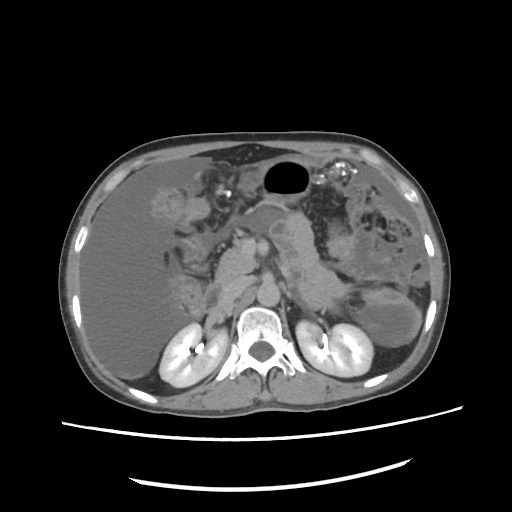 Computed tomography, abdomen. axial view. 39-year-old female patient
Box edges are left/top/right/bottom in pixels.
Organ bounding boxes:
- right kidney: left=159, top=322, right=227, bottom=386
- inferior vena cava: left=221, top=278, right=248, bottom=303
- pancreas: left=214, top=247, right=253, bottom=283
- left kidney: left=295, top=321, right=373, bottom=375
- stomach: left=257, top=158, right=311, bottom=204
- duodenum: left=202, top=260, right=302, bottom=311
- aorta: left=257, top=282, right=279, bottom=306